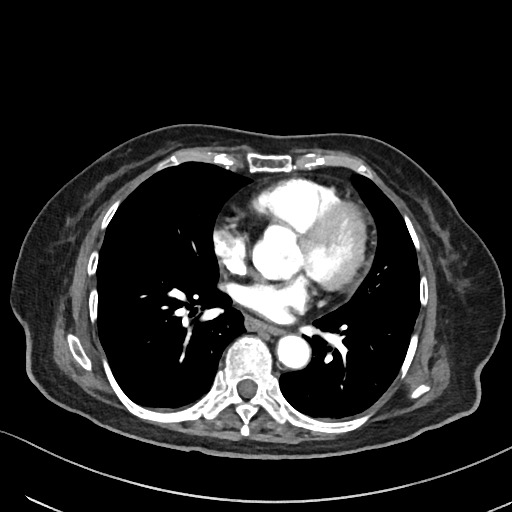 Abdominal CT; this slice is in the lower chest, just above the liver — axial view — 512x512 px
Of the structures in the chest, this dataset labels only the esophagus, the aorta and the inferior vena cava; the heart and lungs have no label.
{"organs":{"esophagus":[246,318,284,335],"aorta":[278,336,310,369]}}